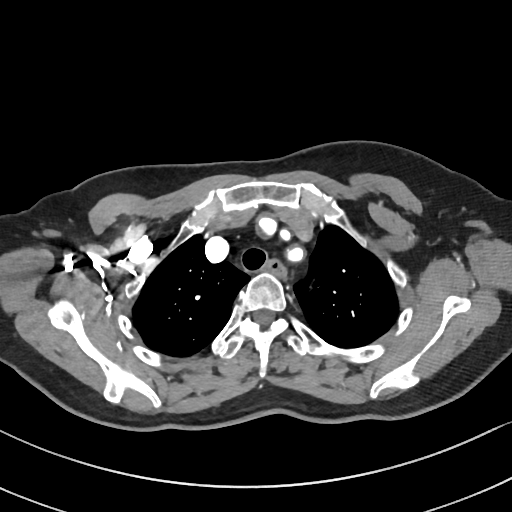 Abdominal CT reaching into the chest; this slice is in the chest. axial view. scan has 15 labeled organs (that count is for the whole scan; organs this slice misses have no box)
At this level of the chest no structure but the esophagus and the aorta has a label in this dataset, and those two are boxed only where they are labeled.
One row per box, in pixels: columns x1 and y1 give the top-left corner, x2 and y2 the bottom-right.
| organ | x1 | y1 | x2 | y2 |
|---|---|---|---|---|
| esophagus | 261 | 260 | 286 | 276 |